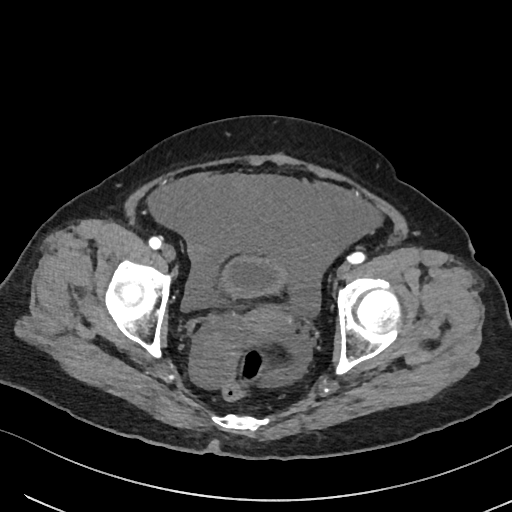

Computed tomography, abdomen — axial view — soft-tissue window (W 400 / L 40) — SOMATOM Force scanner
Box edges are left/top/right/bottom in pixels.
bladder: left=220, top=256, right=287, bottom=296
prostate/uterus: left=241, top=307, right=291, bottom=333